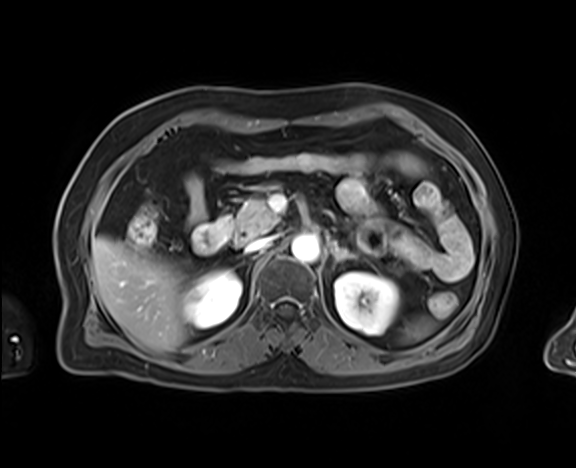

Magnetic resonance imaging, abdomen · axial view · 13 organs annotated in this scan (counted over the whole 3D scan, not this slice; an organ is boxed only where this slice passes through it)
{"organs":{"spleen":[406,321,429,339],"right kidney":[183,270,241,328],"left kidney":[334,272,399,334],"liver":[92,237,188,350],"aorta":[291,233,320,262],"inferior vena cava":[245,237,273,252],"pancreas":[233,198,279,241],"left adrenal gland":[334,243,356,262],"duodenum":[193,215,231,254]}}